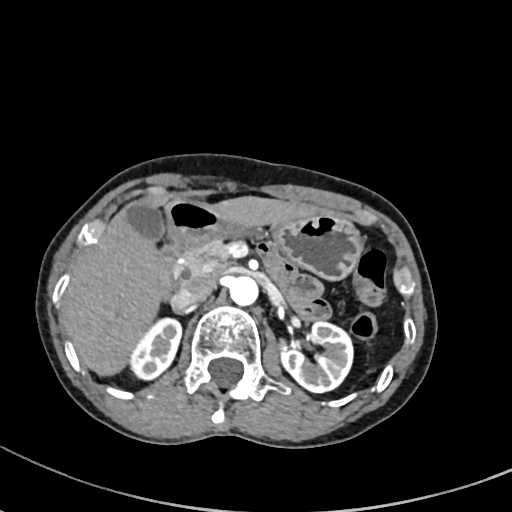 Abdominal CT; axial view; 512x512 px; scan has 15 labeled organs (that count is for the whole scan; organs this slice misses have no box)
Boxes: x1:y1:x2:y2 in pixels. The annotated organs in this slice are: right kidney at 131:317:181:380, left kidney at 279:321:353:392, gall bladder at 127:202:164:241, liver at 67:196:316:373, stomach at 165:199:362:279, aorta at 230:275:258:304, inferior vena cava at 172:277:212:308, pancreas at 175:241:227:284, duodenum at 157:243:183:300.